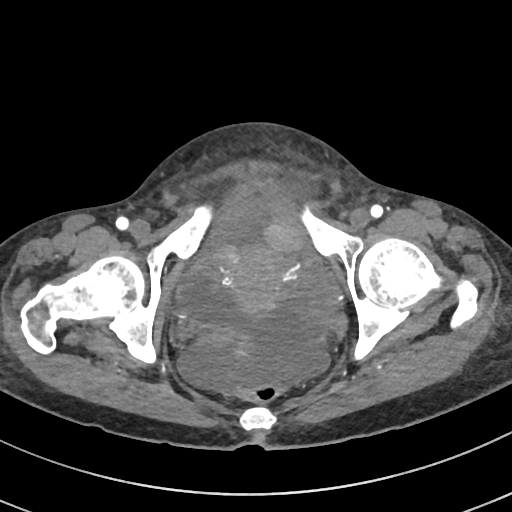 Abdominal CT. axial view. soft-tissue window (W 400 / L 40). 512x512 px. scan has 15 labeled organs (a whole-scan count: organs this slice does not pass through have no box)
Boxes: x1 y1 x2 y2 (pixel coords, space-separated). The annotated organs in this slice are: bladder at 183 285 324 366, prostate/uterus at 228 244 278 312.